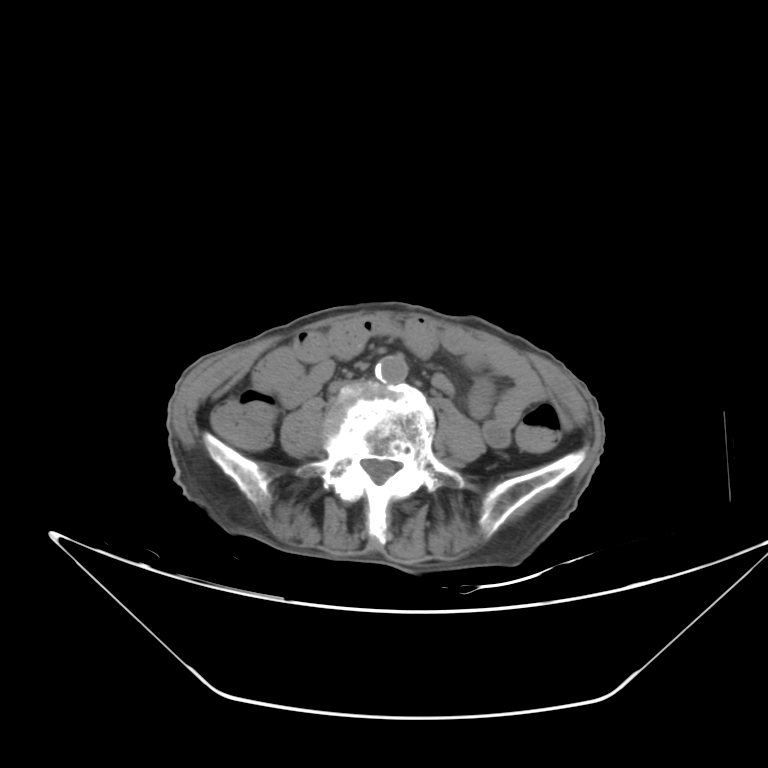
CT, abdomen/pelvis; axial plane, index 40; abdomen soft-tissue window
Box edges are left/top/right/bottom in pixels.
Organ bounding boxes:
- aorta: left=376, top=355, right=407, bottom=386
- inferior vena cava: left=330, top=379, right=363, bottom=395